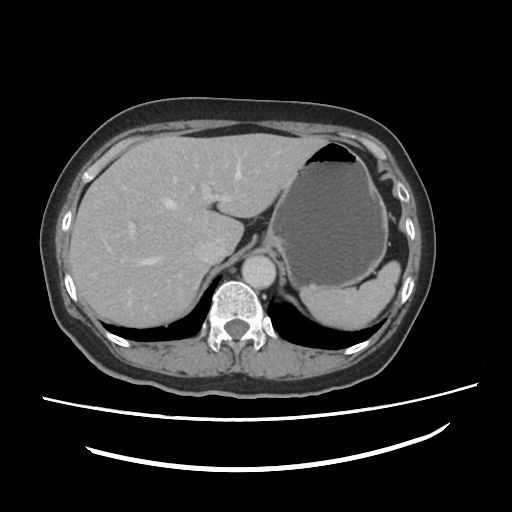 Computed tomography, abdomen. axial view. abdomen soft-tissue window. 61-year-old female patient
{"organs":{"liver":[69,133,328,325],"stomach":[264,140,388,292],"aorta":[241,255,275,287],"inferior vena cava":[193,238,223,264],"spleen":[299,261,399,331]}}